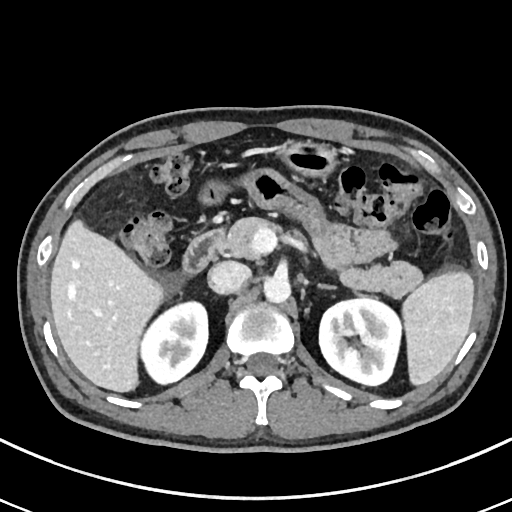
CT abdomen — Axial slice 153/218 — abdomen soft-tissue window
<organs><organ name="pancreas" x1="218" y1="216" x2="420" y2="296"/><organ name="left kidney" x1="319" y1="297" x2="402" y2="385"/><organ name="right kidney" x1="141" y1="300" x2="208" y2="385"/><organ name="spleen" x1="403" y1="273" x2="473" y2="384"/><organ name="duodenum" x1="181" y1="229" x2="223" y2="274"/><organ name="liver" x1="50" y1="222" x2="164" y2="391"/><organ name="inferior vena cava" x1="208" y1="261" x2="251" y2="293"/><organ name="stomach" x1="284" y1="142" x2="335" y2="174"/><organ name="left adrenal gland" x1="320" y1="284" x2="333" y2="289"/><organ name="aorta" x1="263" y1="277" x2="290" y2="302"/></organs>